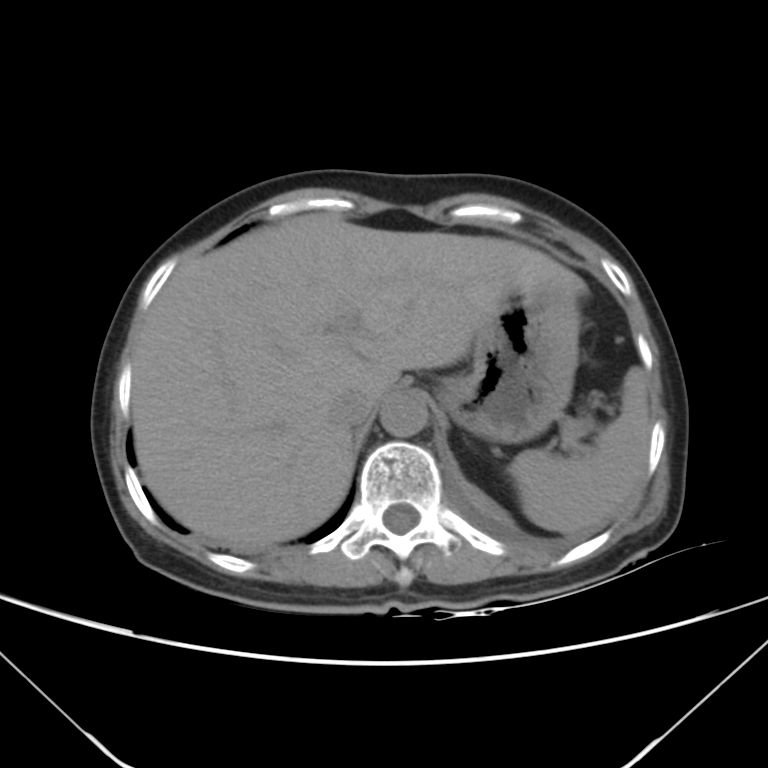

Abdominal CT; axial view
Coordinates as <box>x1,y1,x2,y2</box> in pixels.
Organ bounding boxes:
- aorta: <box>381,391,428,437</box>
- pancreas: <box>562,418,591,440</box>
- liver: <box>131,215,584,547</box>
- stomach: <box>438,283,580,442</box>
- inferior vena cava: <box>330,386,376,427</box>
- spleen: <box>508,369,648,531</box>